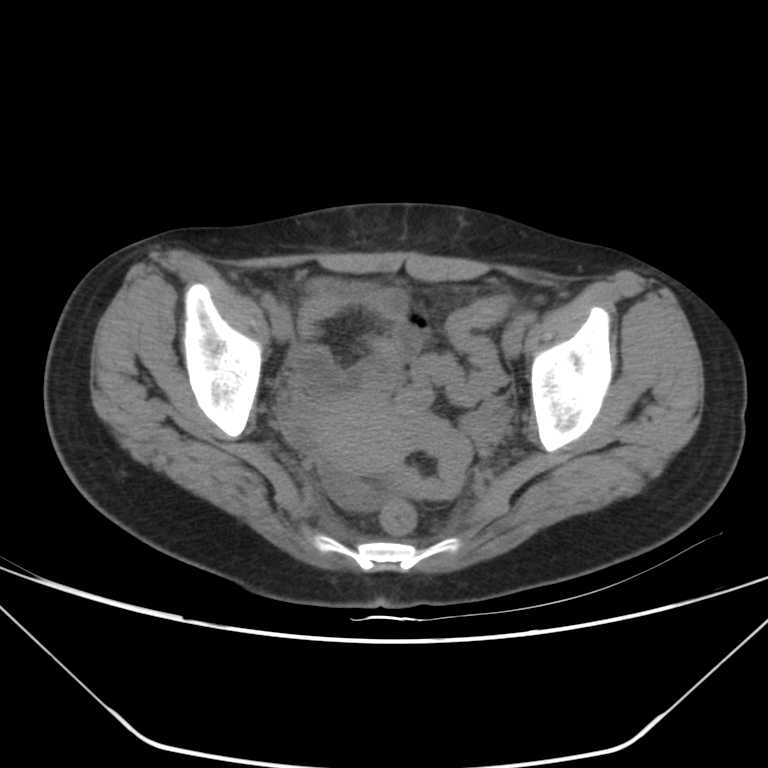

Abdominal CT. axial view. 768x768 px
<organs><organ name="prostate/uterus" x1="309" y1="394" x2="408" y2="474"/></organs>